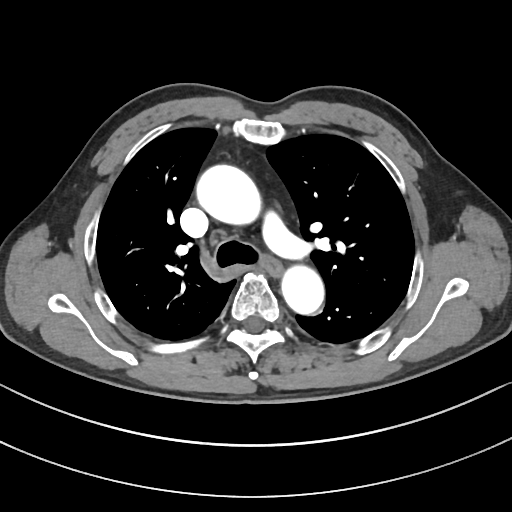

Chest-level CT slice, above the liver and spleen. axial view. W/L 400/40 HU. acquired on SOMATOM Force
On a slice this high in the chest, this dataset labels only the esophagus and the aorta, and each is boxed only where it is labeled; the heart, lungs and other chest structures are not labeled.
One row per box, in pixels: columns x1 and y1 give the top-left corner, x2 and y2 the bottom-right.
| organ | x1 | y1 | x2 | y2 |
|---|---|---|---|---|
| esophagus | 269 | 261 | 281 | 274 |
| aorta | 195 | 164 | 257 | 223 |
| aorta | 282 | 268 | 324 | 315 |